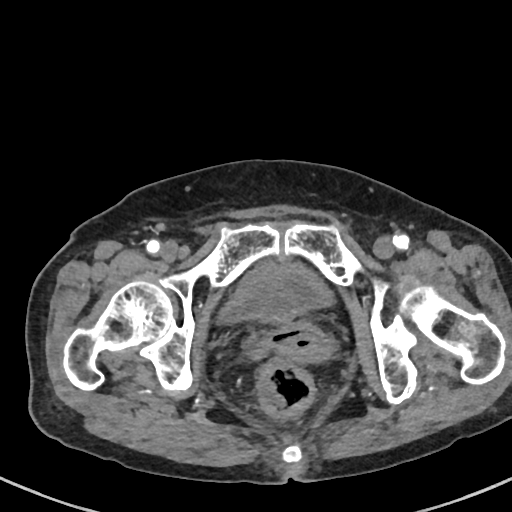 CT abdomen. Axial slice 27/279. soft-tissue window (W 400 / L 40). 512x512 px
Boxes: x1:y1:x2:y2 in pixels.
bladder: 221:261:331:322